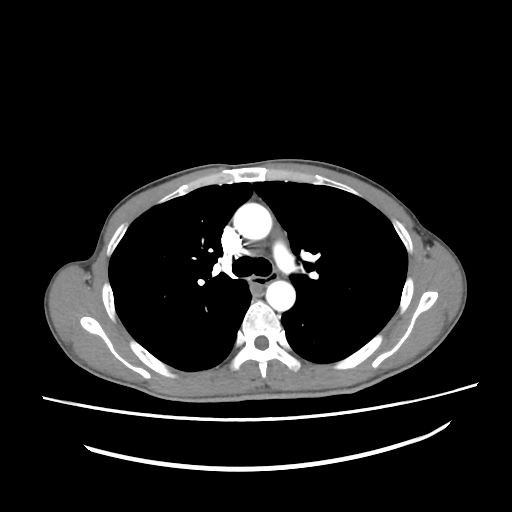 Chest-level slice from an abdominal CT that extends up into the chest. axial plane, index 111. 512x512 px
On a slice this high in the chest, this dataset labels only the esophagus and the aorta, and each is boxed only where it is labeled; the heart, lungs and other chest structures are not labeled.
Boxes: x1:y1:x2:y2 in pixels.
Organ bounding boxes:
- esophagus: 248:272:279:286
- aorta: 234:203:271:239
- aorta: 266:280:295:311